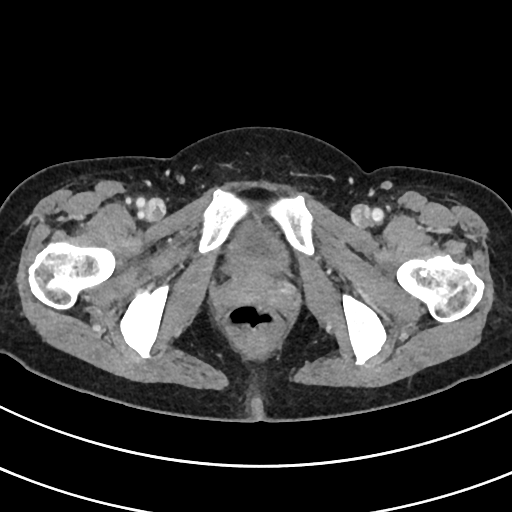
Computed tomography, abdomen — axial view — W/L 400/40 HU — acquired on SOMATOM Force
Boxes: x1:y1:x2:y2 in pixels.
Organ bounding boxes:
- bladder: 224:216:290:271